Computed tomography, abdomen · Axial slice 165/213
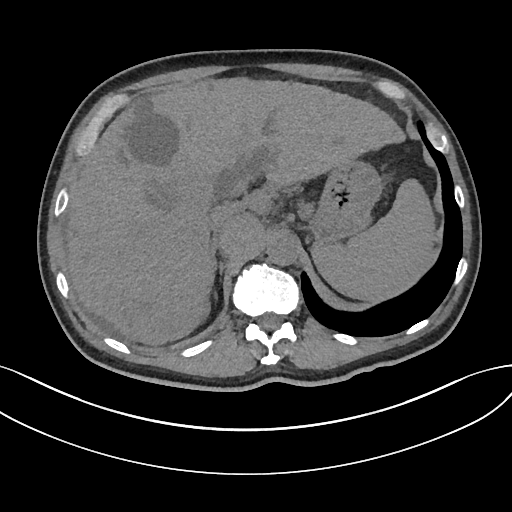

{"organs":{"aorta":[267,235,297,265],"stomach":[309,159,382,242],"right adrenal gland":[211,239,217,271],"liver":[65,77,404,345],"inferior vena cava":[208,206,235,233],"spleen":[312,179,436,301]}}